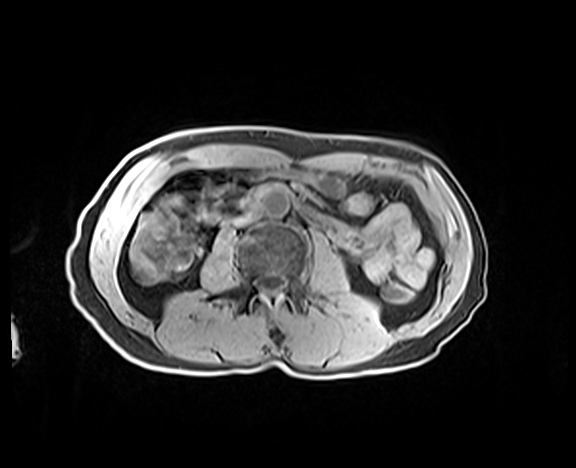

Abdominal MRI; axial view; 576x468 px; 13 organs annotated in this scan (a whole-scan count: organs this slice does not pass through have no box)
<organs><organ name="aorta" x1="261" y1="187" x2="290" y2="217"/><organ name="inferior vena cava" x1="232" y1="209" x2="258" y2="226"/><organ name="duodenum" x1="241" y1="181" x2="300" y2="208"/></organs>